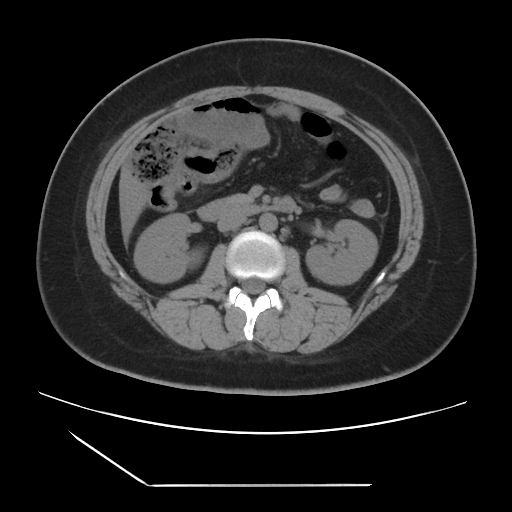 Abdominal CT. axial view. 512x512 px
Bounding boxes in pixels, one row per box: x1, y1 is the top-left corner and x2, y2 the bottom-right.
| organ | x1 | y1 | x2 | y2 |
|---|---|---|---|---|
| aorta | 259 | 213 | 277 | 231 |
| duodenum | 197 | 197 | 296 | 221 |
| right kidney | 134 | 213 | 190 | 282 |
| liver | 120 | 171 | 149 | 242 |
| left kidney | 306 | 219 | 378 | 284 |
| inferior vena cava | 217 | 214 | 246 | 231 |
| pancreas | 225 | 194 | 249 | 202 |